Computed tomography, abdomen. axial view. W/L 400/40 HU
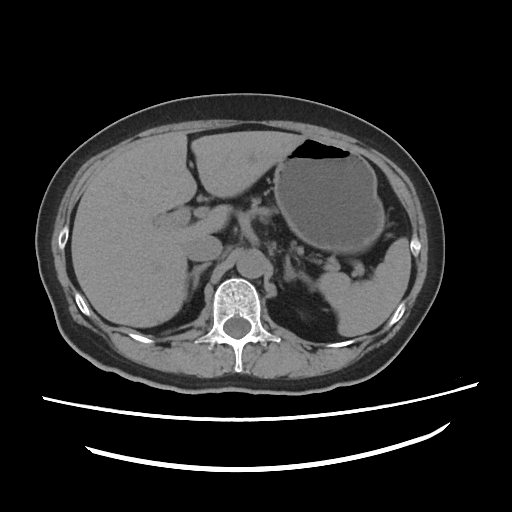

{"organs":{"aorta":[236,249,267,278],"left adrenal gland":[284,255,313,290],"spleen":[317,237,411,336],"inferior vena cava":[185,235,222,261],"stomach":[273,137,385,254],"right adrenal gland":[186,262,210,298],"pancreas":[252,198,269,216],"liver":[71,131,306,327]}}